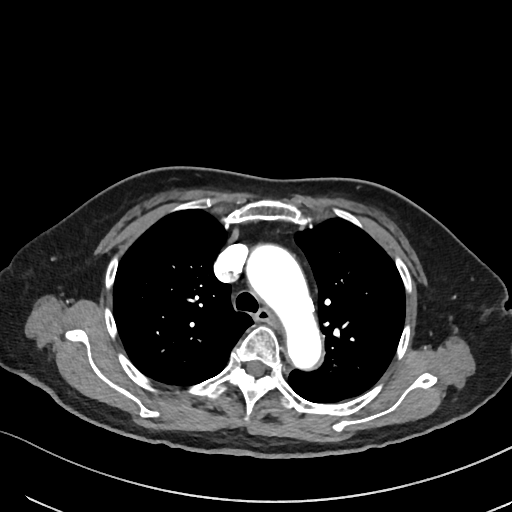 Chest-level CT slice, above the liver and spleen. axial view. scan has 15 labeled organs (that count is for the whole scan; organs this slice misses have no box)
At this level of the chest this dataset labels only the esophagus and the aorta, and each is boxed only where it is labeled; the heart and lungs are never labeled.
<organs><organ name="esophagus" x1="256" y1="309" x2="279" y2="327"/><organ name="aorta" x1="245" y1="243" x2="322" y2="371"/></organs>